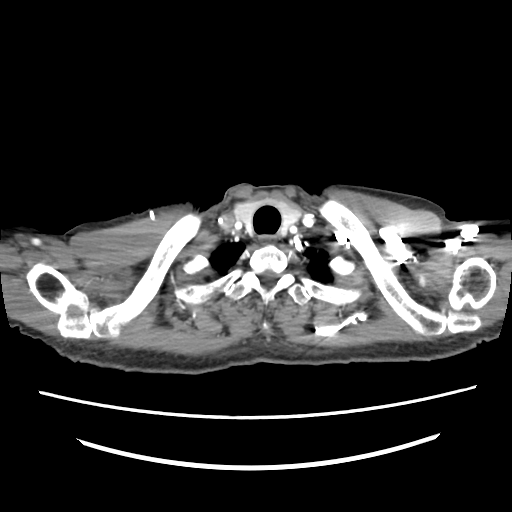

Chest-level CT slice, above the liver and spleen — axial view — soft-tissue window (W 400 / L 40) — scan has 15 labeled organs (a whole-scan count: organs this slice does not pass through have no box)
On a slice this high in the chest, this dataset labels only the esophagus and the aorta, and each is boxed only where it is labeled; the heart, lungs and other chest structures are not labeled.
Coordinates as <box>x1,y1,x2,y2</box> in pixels.
Organ bounding boxes:
- esophagus: <box>260,236,278,246</box>